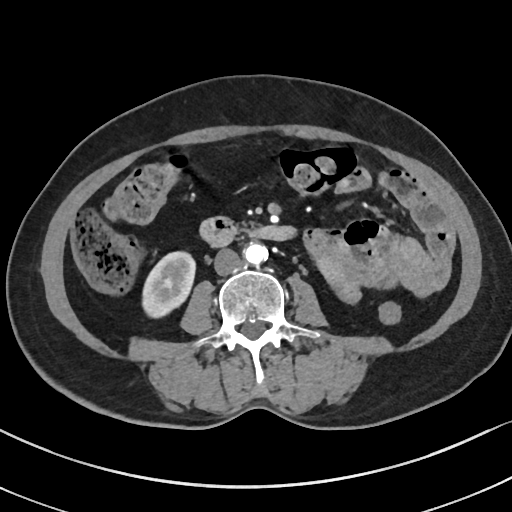 Computed tomography, abdomen; axial plane, index 114; scan has 15 labeled organs (that count is for the whole scan; organs this slice misses have no box)
Coordinates as <box>x1,y1,x2,y2</box> in pixels.
Organ bounding boxes:
- right kidney: <box>141,251,194,315</box>
- aorta: <box>243,241,267,264</box>
- inferior vena cava: <box>213,249,241,275</box>
- duodenum: <box>200,217,295,246</box>